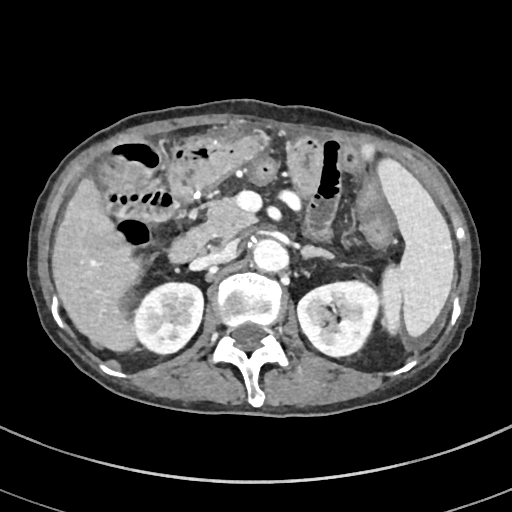 Abdominal CT · axial plane, index 129 · abdomen soft-tissue window
Boxes: x1:y1:x2:y2 in pixels.
spleen: 361:144:454:336
right kidney: 132:282:203:354
left kidney: 297:281:379:356
liver: 52:178:141:351
aorta: 253:239:288:271
inferior vena cava: 189:241:237:269
pancreas: 187:198:256:250
left adrenal gland: 302:246:332:258
duodenum: 168:234:200:263